Lower-chest slice from an abdominal CT, just above the liver and spleen; axial plane, index 87; soft-tissue window (W 400 / L 40)
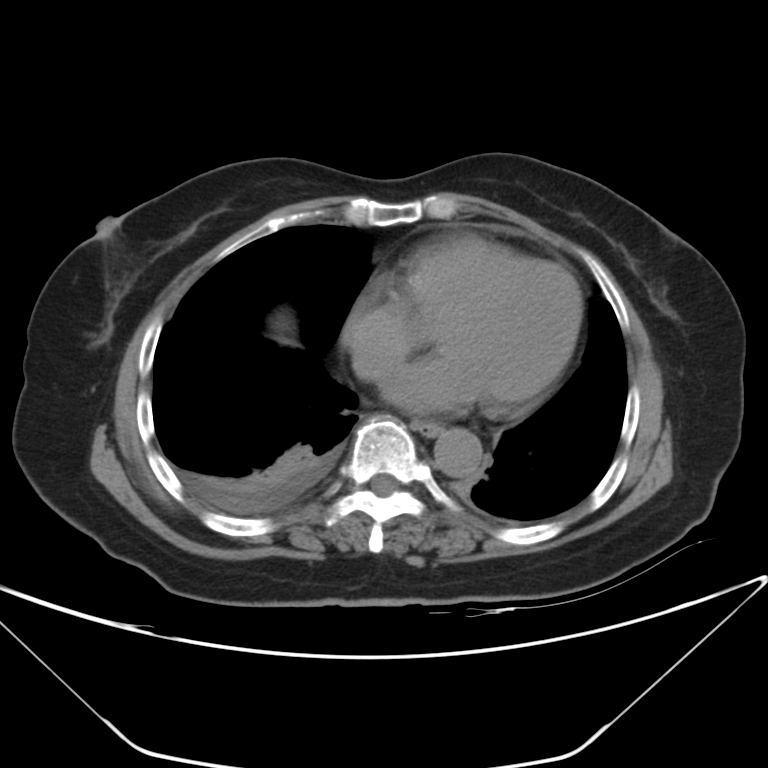

Of the structures in the chest, this dataset labels only the esophagus, the aorta and the inferior vena cava; the heart and lungs have no label.
One row per box, in pixels: columns x1 and y1 give the top-left corner, x2 and y2 the bottom-right.
| organ | x1 | y1 | x2 | y2 |
|---|---|---|---|---|
| inferior vena cava | 353 | 355 | 385 | 377 |
| aorta | 434 | 428 | 482 | 477 |
| esophagus | 415 | 422 | 441 | 436 |